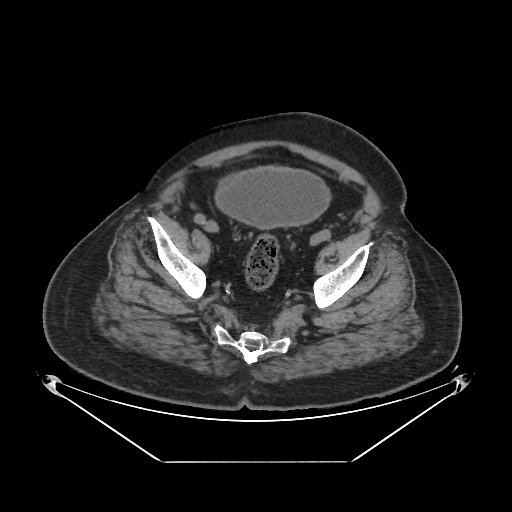 CT abdomen · axial view · soft-tissue window (W 400 / L 40) · 512x512 px
Coordinates as <box>x1,y1,x2,y2</box> in pixels.
Organ bounding boxes:
- bladder: <box>215,167,330,229</box>